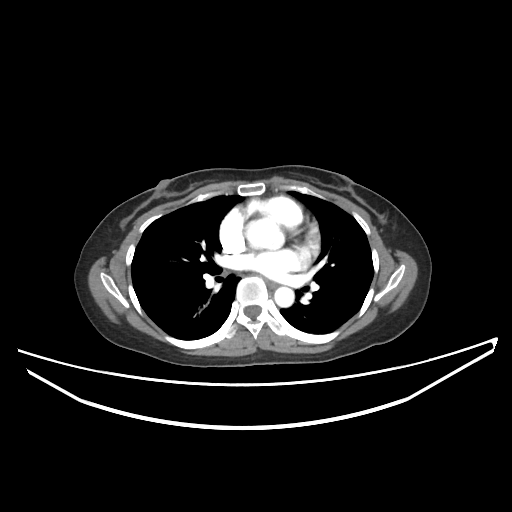

Abdominal CT reaching into the chest; this slice is in the chest; axial view; 15 organs annotated in this scan (counted over the whole 3D scan, not this slice; an organ is boxed only where this slice passes through it)
On a slice this high in the chest, this dataset labels only the esophagus and the aorta, and each is boxed only where it is labeled; the heart, lungs and other chest structures are not labeled. Coordinates as <box>x1,y1,x2,y2</box> in pixels. 2 labeled organs on this slice — esophagus at <box>269,282,276,287</box>; aorta at <box>247,219,282,248</box>; aorta at <box>274,287,294,307</box>.